Computed tomography, abdomen; axial view; 512x512 px; Aquilion ONE scanner
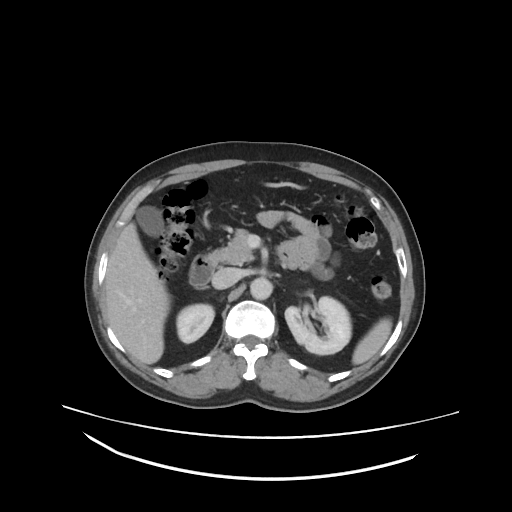

Boxes: x1 y1 x2 y2 (pixel coords, space-separated).
spleen: 352 317 390 364
right kidney: 176 303 214 343
left kidney: 285 297 351 354
gall bladder: 137 207 165 234
liver: 104 222 170 364
aorta: 250 278 271 299
inferior vena cava: 212 267 242 289
pancreas: 205 230 253 264
duodenum: 189 255 212 285